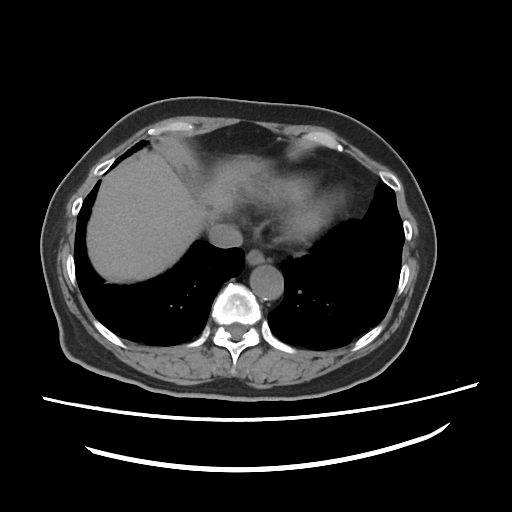
CT abdomen — axial view — soft-tissue window (W 400 / L 40) — 512x512 px — 61-year-old female patient
<organs><organ name="esophagus" x1="246" y1="250" x2="264" y2="265"/><organ name="liver" x1="87" y1="152" x2="263" y2="282"/><organ name="aorta" x1="250" y1="265" x2="283" y2="299"/><organ name="inferior vena cava" x1="208" y1="223" x2="242" y2="248"/></organs>